CT, abdomen/pelvis · axial view · soft-tissue window (W 400 / L 40) · 512x512 px
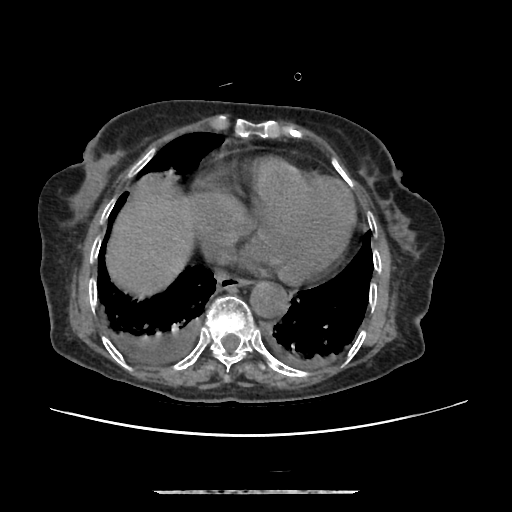

One row per box, in pixels: columns x1 and y1 give the top-left corner, x2 and y2 the bottom-right.
| organ | x1 | y1 | x2 | y2 |
|---|---|---|---|---|
| esophagus | 216 | 273 | 249 | 289 |
| liver | 110 | 187 | 192 | 292 |
| aorta | 250 | 282 | 287 | 318 |
| inferior vena cava | 204 | 242 | 234 | 263 |